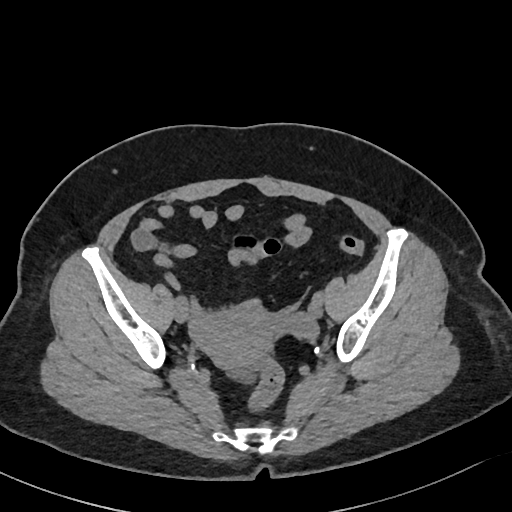 Computed tomography, abdomen — axial plane, index 43 — soft-tissue window — 15 organs annotated in this scan (counted over the whole 3D scan, not this slice; an organ is boxed only where this slice passes through it)
Boxes: x1 y1 x2 y2 (pixel coords, space-separated). 1 labeled organ on this slice — prostate/uterus at 191 307 283 367.